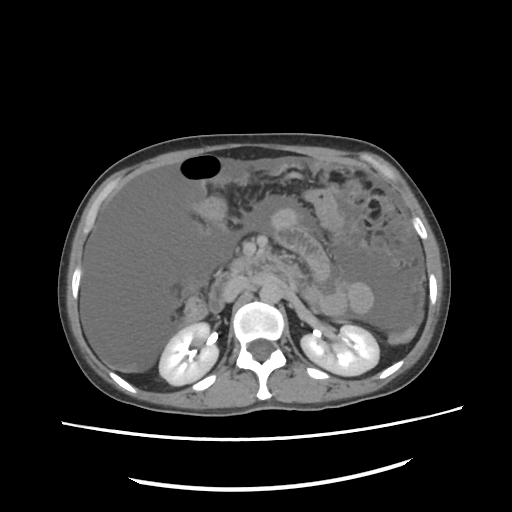

Abdominal CT · axial view · soft-tissue window (W 400 / L 40) · 512x512 px · 15 organs annotated in this scan (counted over the whole 3D scan, not this slice; an organ is boxed only where this slice passes through it)
Coordinates as <box>x1,y1,x2,y2</box> in pixels.
Organ bounding boxes:
- pancreas: <box>229,256,255,269</box>
- duodenum: <box>209,256,287,313</box>
- right kidney: <box>158,321,217,385</box>
- left kidney: <box>301,324,378,375</box>
- inferior vena cava: <box>223,278,248,301</box>
- aorta: <box>258,278,281,304</box>